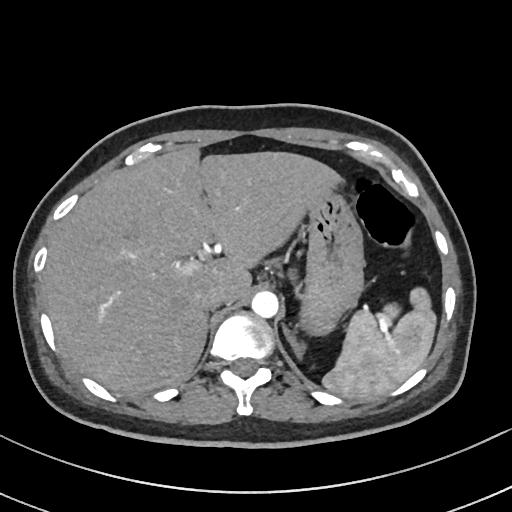
Abdominal CT — axial view — soft-tissue window (W 400 / L 40) — 512x512 px
<organs><organ name="spleen" x1="322" y1="287" x2="436" y2="399"/><organ name="liver" x1="43" y1="146" x2="341" y2="396"/><organ name="stomach" x1="300" y1="189" x2="363" y2="333"/><organ name="aorta" x1="251" y1="291" x2="278" y2="318"/><organ name="inferior vena cava" x1="195" y1="284" x2="224" y2="310"/><organ name="left adrenal gland" x1="283" y1="326" x2="305" y2="359"/></organs>